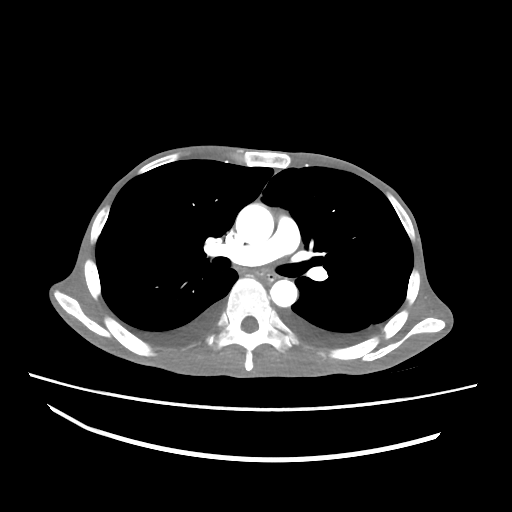 Chest-level CT slice, above the liver and spleen — axial view — scan has 15 labeled organs (a whole-scan count: organs this slice does not pass through have no box)
On a slice this high in the chest, this dataset labels only the esophagus and the aorta, and each is boxed only where it is labeled; the heart, lungs and other chest structures are not labeled. Bounding boxes as [x1, y1, x2, y2] in pixel coordinates. 2 labeled organs on this slice — esophagus at [255, 269, 276, 280]; aorta at [235, 204, 273, 244]; aorta at [270, 280, 297, 306].